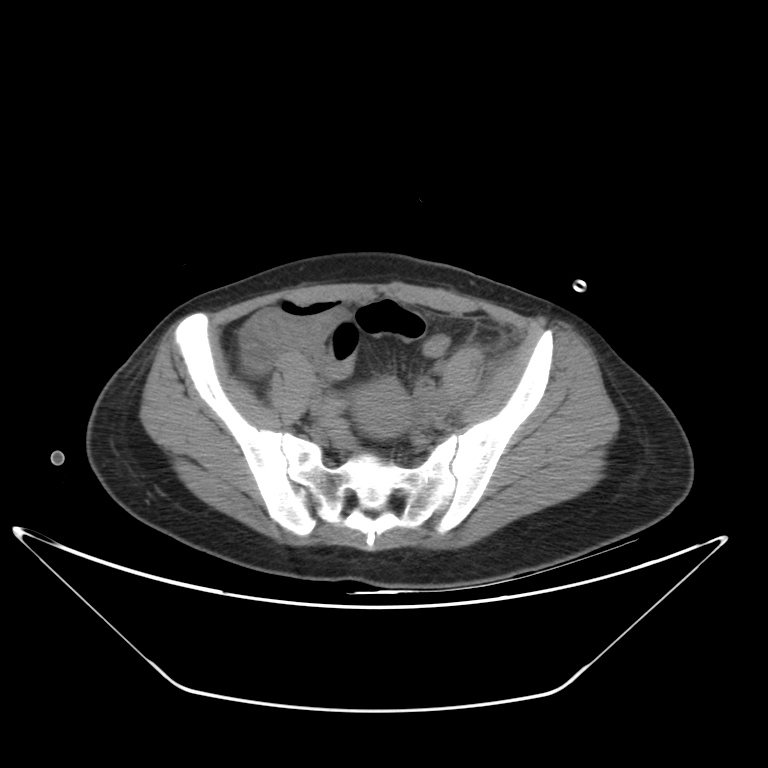 CT abdomen — axial plane, index 29 — soft-tissue window (W 400 / L 40) — acquired on Brilliance16 — 14 organs annotated in this scan (that count is for the whole scan; organs this slice misses have no box)
Box edges are left/top/right/bottom in pixels. 1 labeled organ on this slice — prostate/uterus at left=351, top=378, right=409, bottom=436.